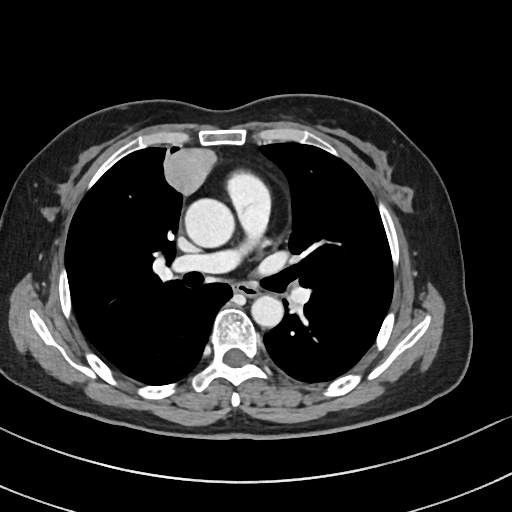
Chest-level CT slice, above the liver and spleen. axial view. soft-tissue window, W/L 400/40. 512x512 px
On a slice this high in the chest, this dataset labels only the esophagus and the aorta, and each is boxed only where it is labeled; the heart, lungs and other chest structures are not labeled.
{"organs":{"esophagus":[234,282,258,296],"aorta":[[184,197,234,247],[251,295,283,327]]}}